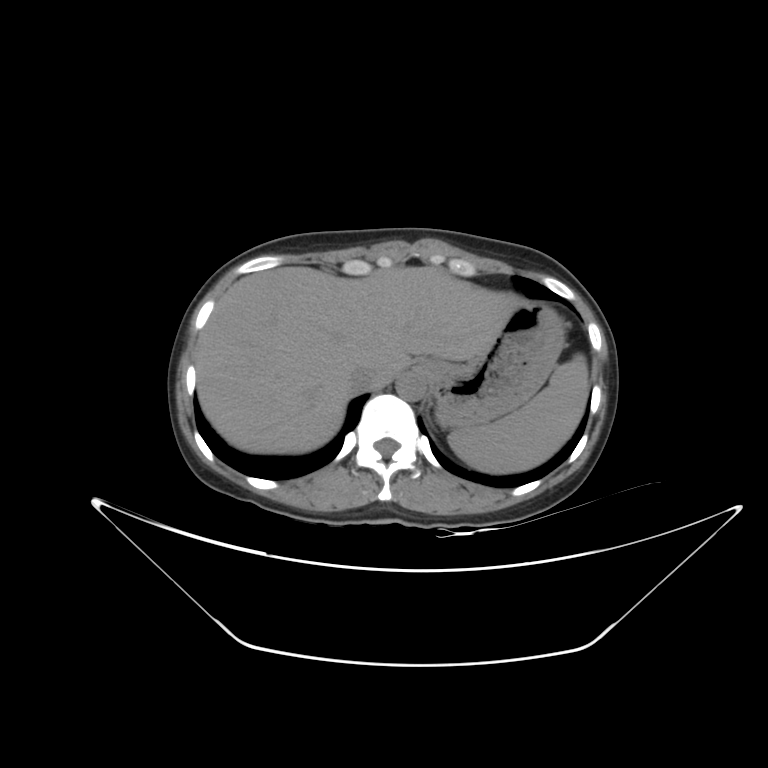

Computed tomography, abdomen · axial view · abdomen soft-tissue window
<organs><organ name="spleen" x1="448" y1="354" x2="589" y2="473"/><organ name="liver" x1="195" y1="266" x2="522" y2="453"/><organ name="stomach" x1="419" y1="300" x2="564" y2="428"/><organ name="aorta" x1="396" y1="371" x2="425" y2="401"/><organ name="inferior vena cava" x1="349" y1="363" x2="379" y2="391"/></organs>